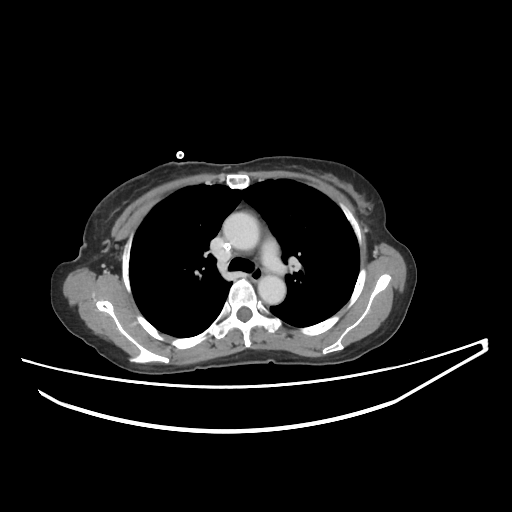 Chest-level slice from an abdominal CT that extends up into the chest · axial view · soft-tissue window · 62-year-old female patient
At this level of the chest this dataset labels only the esophagus and the aorta, and each is boxed only where it is labeled; the heart and lungs are never labeled.
Bounding boxes as [x1, y1, x2, y2] in pixel coordinates.
Organ bounding boxes:
- esophagus: [250, 268, 263, 282]
- aorta: [222, 211, 259, 250]
- aorta: [258, 275, 286, 304]